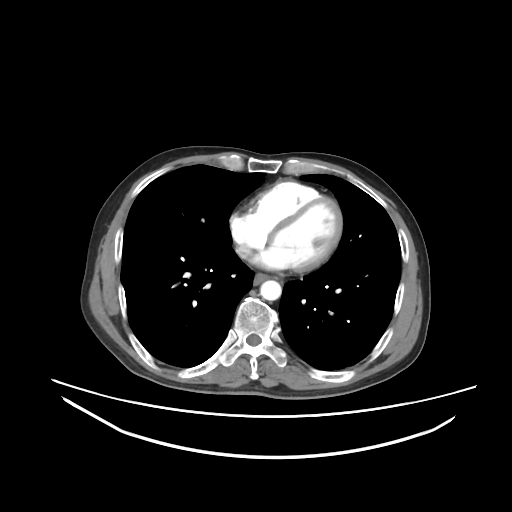 CT of the abdomen reaching into the lower chest, slice just above the liver and spleen — Axial slice 96/134
The heart and lungs are never labeled in this dataset, so they have no box on this slice.
Bounding boxes as [x1, y1, x2, y2] in pixel coordinates.
Organ bounding boxes:
- esophagus: [254, 273, 269, 284]
- aorta: [260, 280, 281, 300]